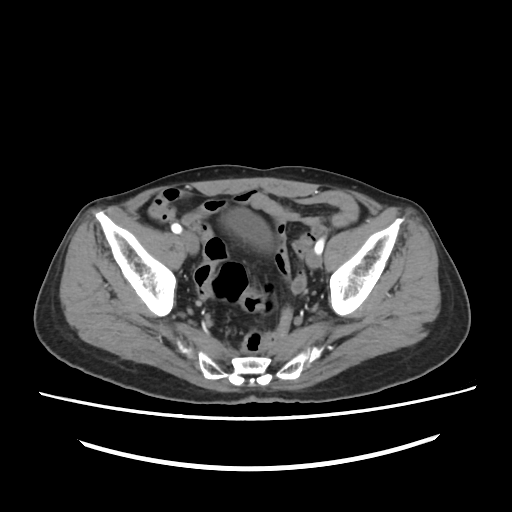 CT abdomen — axial view — 512x512 px
<organs><organ name="bladder" x1="222" y1="208" x2="271" y2="249"/></organs>